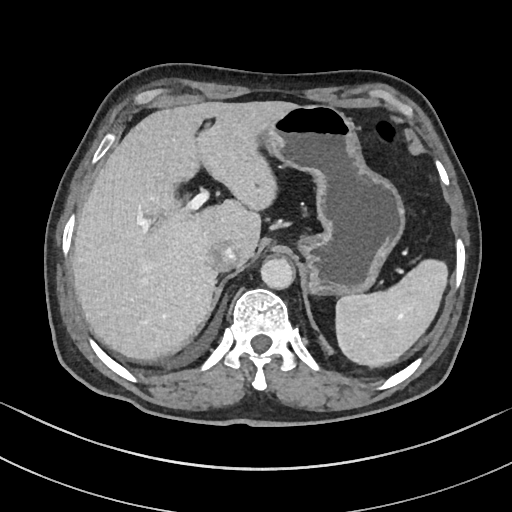

CT, abdomen/pelvis; axial view; 512x512 px; 14 organs annotated in this scan (counted over the whole 3D scan, not this slice; an organ is boxed only where this slice passes through it)
Bounding boxes in pixels, one row per box: x1, y1 is the top-left corner and x2, y2 the bottom-right.
| organ | x1 | y1 | x2 | y2 |
|---|---|---|---|---|
| spleen | 335 | 259 | 447 | 367 |
| liver | 71 | 101 | 296 | 359 |
| stomach | 260 | 105 | 405 | 296 |
| aorta | 260 | 258 | 294 | 289 |
| inferior vena cava | 207 | 241 | 237 | 272 |